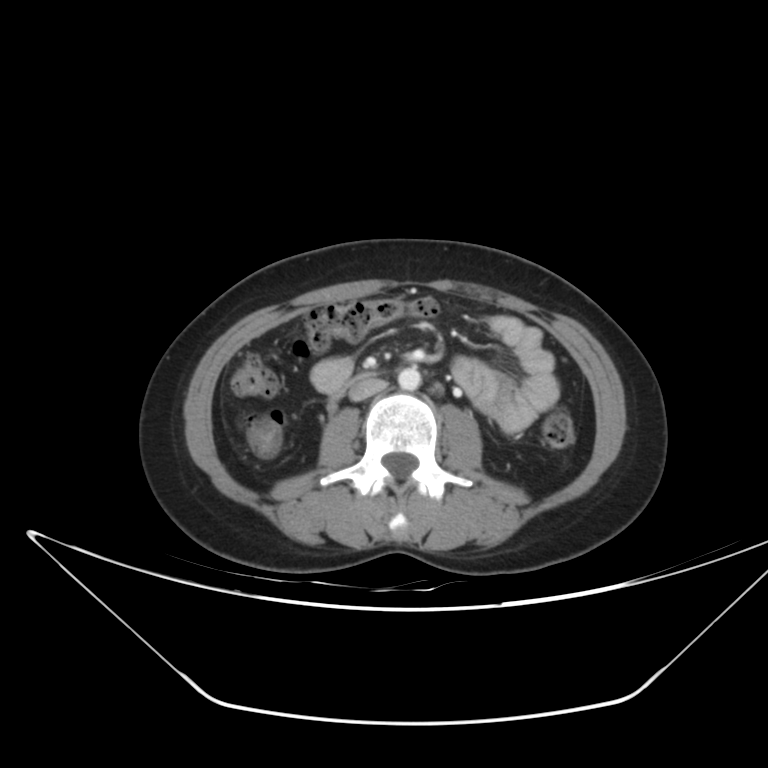

CT, abdomen/pelvis. axial view. abdomen soft-tissue window. Brilliance16 scanner. scan has 13 labeled organs (a whole-scan count: organs this slice does not pass through have no box)
{"organs":{"aorta":[398,367,420,390],"inferior vena cava":[349,380,386,401],"duodenum":[350,374,372,386]}}